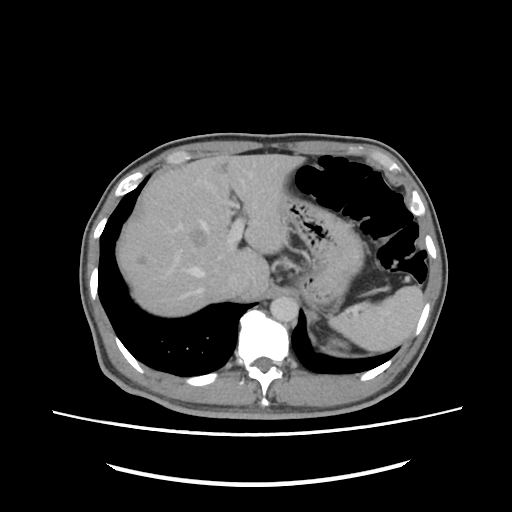 Computed tomography, abdomen — axial view — 512x512 px
<organs><organ name="spleen" x1="329" y1="286" x2="424" y2="351"/><organ name="liver" x1="117" y1="154" x2="304" y2="316"/><organ name="stomach" x1="283" y1="194" x2="363" y2="308"/><organ name="aorta" x1="270" y1="296" x2="298" y2="321"/><organ name="inferior vena cava" x1="225" y1="271" x2="252" y2="295"/></organs>